Abdominal CT. axial view. acquired on SOMATOM Force
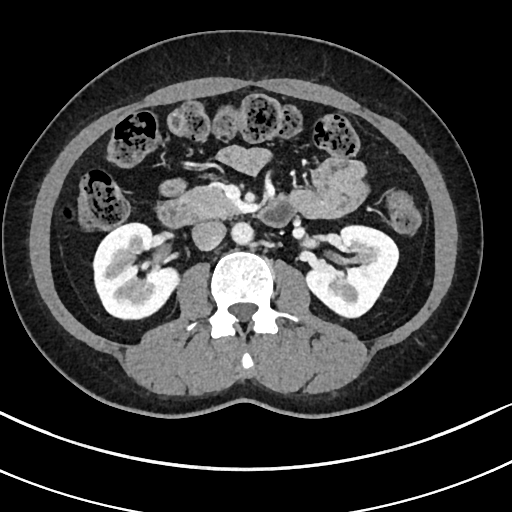

Organ boxes in pixel coordinates; each row gives the top-left (x1, y1) and bottom-right (x2, y2) corners.
| organ | x1 | y1 | x2 | y2 |
|---|---|---|---|---|
| right kidney | 94 | 224 | 180 | 320 |
| left kidney | 305 | 226 | 398 | 318 |
| aorta | 232 | 222 | 254 | 245 |
| inferior vena cava | 191 | 221 | 225 | 250 |
| pancreas | 177 | 186 | 238 | 218 |
| duodenum | 156 | 196 | 294 | 228 |